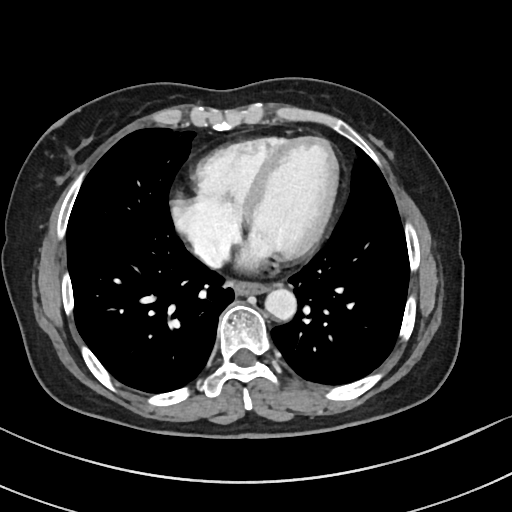 CT of the abdomen reaching into the lower chest, slice just above the liver and spleen; axial view; W/L 400/40 HU; 512x512 px; SOMATOM Force scanner
No part of the heart or lungs is labeled in this dataset, so neither has a box here.
{"organs":{"esophagus":[233,281,270,294],"aorta":[265,288,296,320],"inferior vena cava":[195,240,222,262]}}